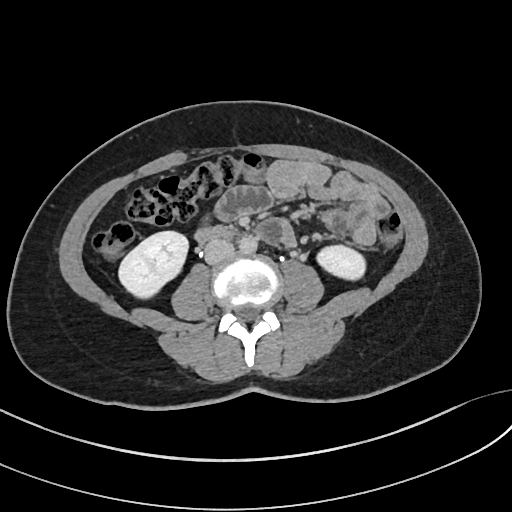

Computed tomography, abdomen — axial plane, index 119
Bounding boxes in pixels, one row per box: x1, y1 is the top-left corner and x2, y2 the bottom-right.
| organ | x1 | y1 | x2 | y2 |
|---|---|---|---|---|
| right kidney | 117 | 230 | 189 | 299 |
| left kidney | 316 | 243 | 367 | 280 |
| aorta | 239 | 237 | 257 | 254 |
| inferior vena cava | 204 | 239 | 233 | 265 |
| duodenum | 193 | 225 | 235 | 244 |